CT abdomen · axial plane, index 114 · abdomen soft-tissue window · 15 organs annotated in this scan (a whole-scan count: organs this slice does not pass through have no box)
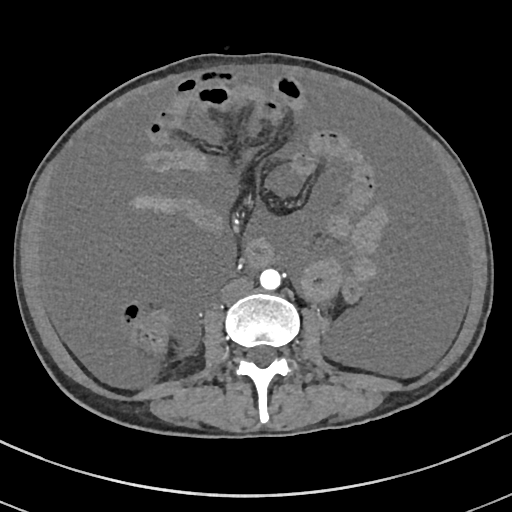

Coordinates as <box>x1,y1,x2,y2</box> in pixels.
Organ bounding boxes:
- aorta: <box>259,268,281,289</box>
- inferior vena cava: <box>221,277,253,302</box>